CT, abdomen/pelvis — axial view — W/L 400/40 HU — acquired on SOMATOM Force — 15 organs annotated in this scan (a whole-scan count: organs this slice does not pass through have no box)
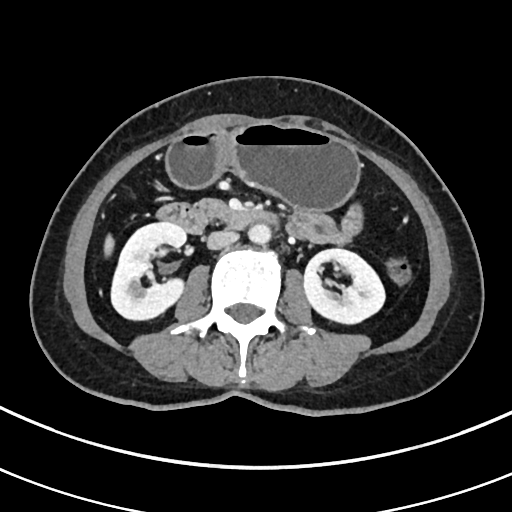
Coordinates as <box>x1,y1,x2,y2</box> in pixels.
Organ bounding boxes:
- aorta: <box>248,222,271,243</box>
- right kidney: <box>110,220,187,319</box>
- duodenum: <box>155,204,277,233</box>
- liver: <box>104,237,114,254</box>
- stomach: <box>165,122,358,211</box>
- left kidney: <box>303,249,384,324</box>
- inferior vena cava: <box>207,229,238,248</box>
- pancreas: <box>199,200,225,215</box>